CT, abdomen/pelvis · axial view · soft-tissue window · 768x768 px
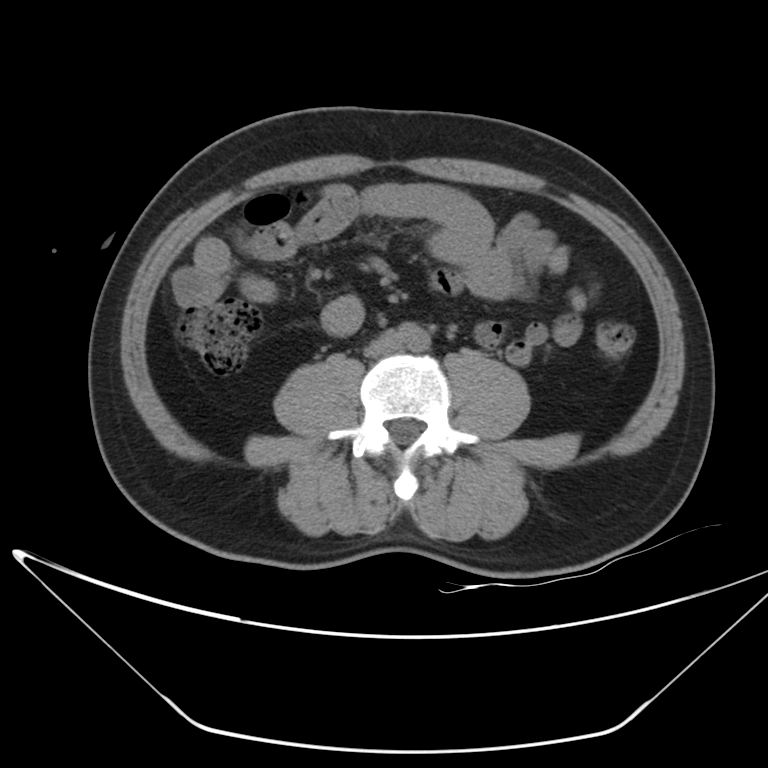
Bounding boxes in pixels, one row per box: x1, y1 is the top-left corner and x2, y2 the bottom-right.
| organ | x1 | y1 | x2 | y2 |
|---|---|---|---|---|
| aorta | 396 | 322 | 430 | 350 |
| inferior vena cava | 363 | 331 | 401 | 356 |